CT, abdomen/pelvis. axial view. 512x512 px. 47-year-old male patient. Aquilion ONE scanner. scan has 15 labeled organs (a whole-scan count: organs this slice does not pass through have no box)
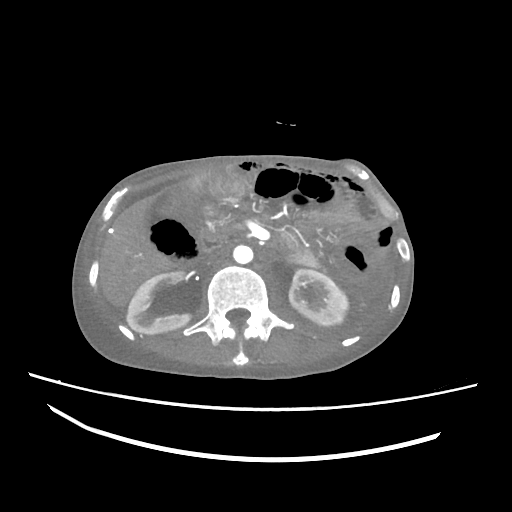

Bounding boxes in pixels, one row per box: x1, y1 is the top-left corner and x2, y2 the bottom-right.
| organ | x1 | y1 | x2 | y2 |
|---|---|---|---|---|
| aorta | 233 | 245 | 253 | 263 |
| right kidney | 126 | 272 | 190 | 334 |
| left kidney | 286 | 267 | 348 | 325 |
| gall bladder | 174 | 187 | 198 | 211 |
| duodenum | 191 | 228 | 224 | 263 |
| pancreas | 211 | 225 | 316 | 265 |
| inferior vena cava | 204 | 249 | 225 | 265 |
| liver | 99 | 197 | 171 | 307 |